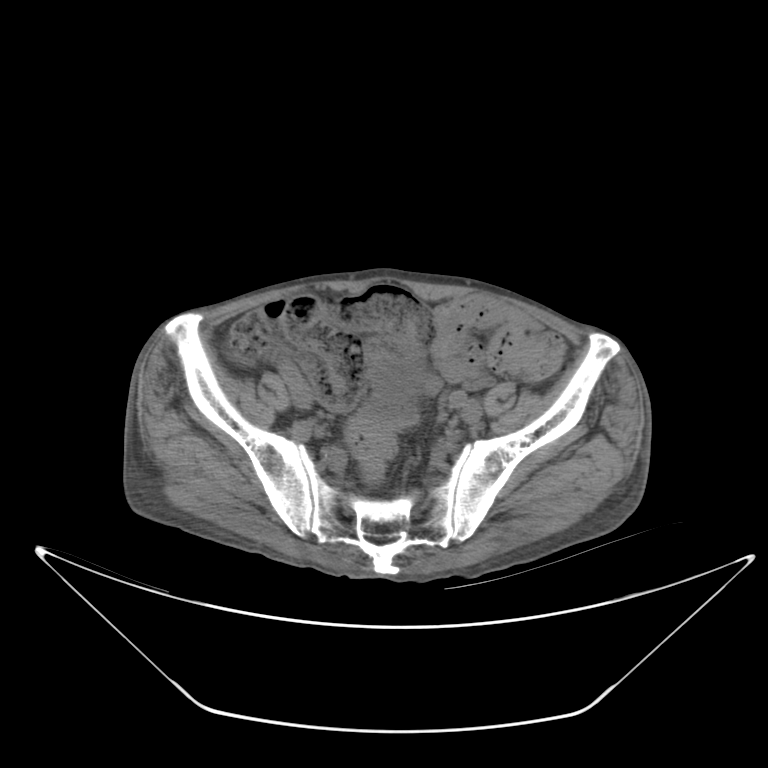
CT abdomen. axial view. 768x768 px
Box edges are left/top/right/bottom in pixels. 1 labeled organ on this slice — bladder at left=376, top=356, right=422, bottom=409.